CT abdomen; axial view; SOMATOM Force scanner; scan has 15 labeled organs (that count is for the whole scan; organs this slice misses have no box)
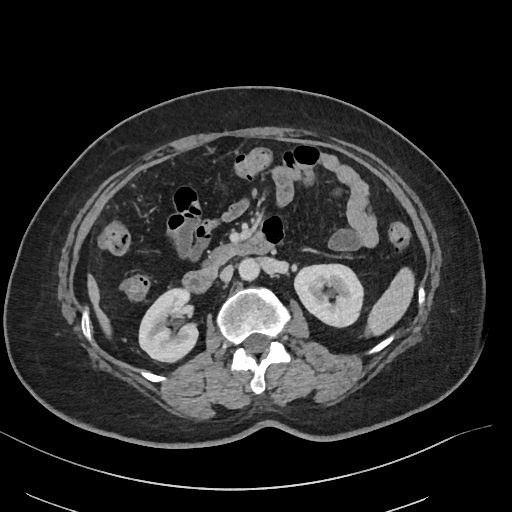
Boxes: x1 y1 x2 y2 (pixel coords, space-separated).
pancreas: 204 245 235 267
duodenum: 182 240 275 292
liver: 87 274 111 337
inferior vena cava: 220 265 233 281
right kidney: 139 288 197 361
aorta: 238 258 259 280
left kidney: 294 264 363 326
spleen: 365 267 414 335